CT, abdomen/pelvis — axial view
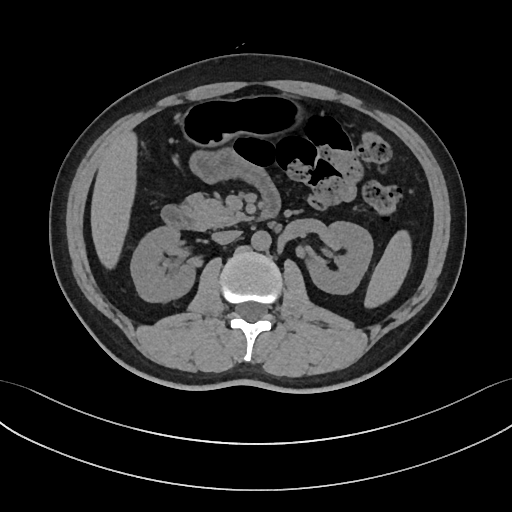
<organs><organ name="aorta" x1="251" y1="231" x2="270" y2="251"/><organ name="pancreas" x1="180" y1="193" x2="248" y2="229"/><organ name="inferior vena cava" x1="211" y1="230" x2="240" y2="244"/><organ name="duodenum" x1="161" y1="191" x2="280" y2="228"/><organ name="right kidney" x1="131" y1="227" x2="196" y2="302"/><organ name="left kidney" x1="309" y1="222" x2="372" y2="294"/><organ name="liver" x1="90" y1="131" x2="138" y2="268"/><organ name="spleen" x1="364" y1="231" x2="412" y2="306"/><organ name="stomach" x1="176" y1="95" x2="310" y2="149"/></organs>